Chest-level slice from an abdominal CT that extends up into the chest — axial view — soft-tissue window
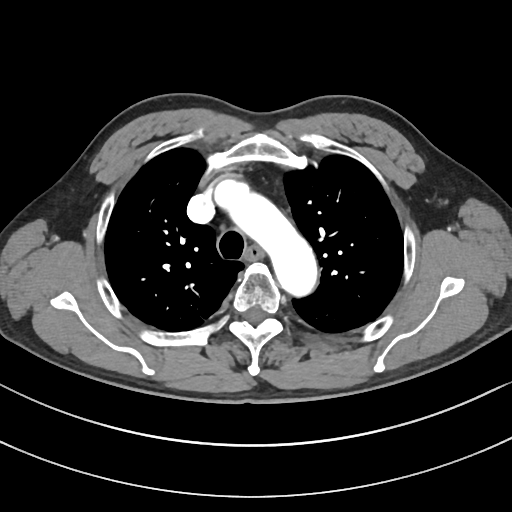

At this level of the chest this dataset labels only the esophagus and the aorta, and each is boxed only where it is labeled; the heart and lungs are never labeled.
<organs><organ name="esophagus" x1="247" y1="246" x2="264" y2="259"/><organ name="aorta" x1="214" y1="179" x2="318" y2="298"/></organs>